CT, abdomen/pelvis — Axial slice 98/143 — 14 organs annotated in this scan (counted over the whole 3D scan, not this slice; an organ is boxed only where this slice passes through it)
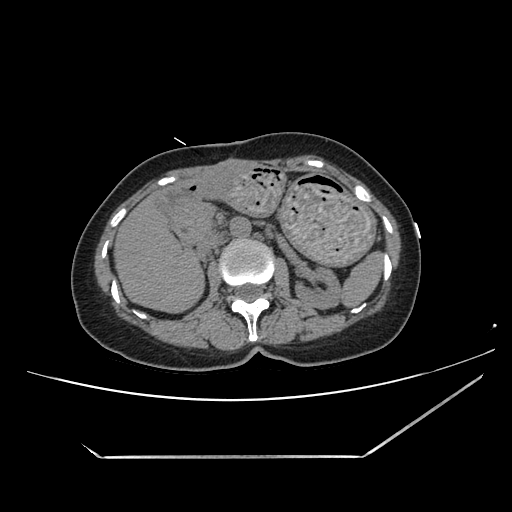 Boxes are (x1, y1, x2, y2) in pixels. The annotated organs in this slice are: left kidney at (296, 265, 340, 309), pancreas at (175, 198, 216, 242), liver at (111, 192, 206, 313), inferior vena cava at (198, 234, 222, 256), aorta at (230, 217, 251, 238), spleen at (340, 251, 384, 309), duodenum at (160, 189, 191, 244), stomach at (172, 159, 374, 264).